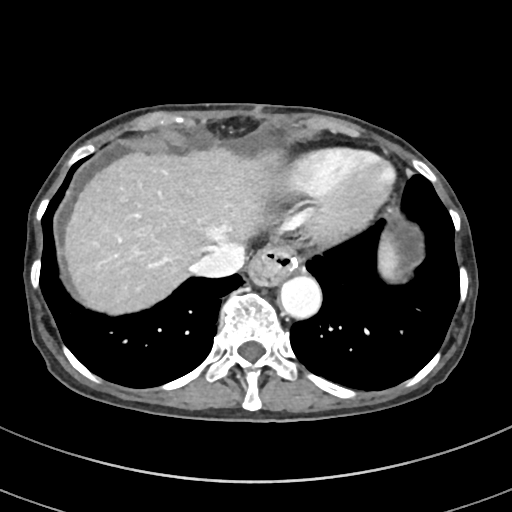

CT abdomen; axial view
Boxes are (x1, y1, x2, y2) in pixels.
spleen: (379, 237, 399, 279)
esophagus: (249, 248, 299, 285)
liver: (64, 147, 280, 314)
aorta: (279, 275, 321, 318)
inferior vena cava: (193, 243, 245, 277)